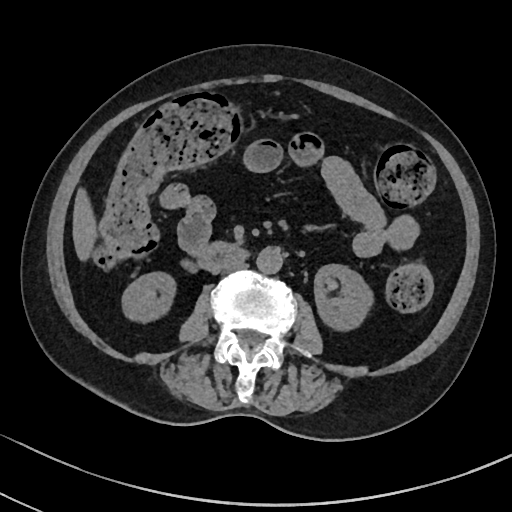
Abdominal CT; axial view
<organs><organ name="right kidney" x1="122" y1="272" x2="175" y2="322"/><organ name="left kidney" x1="314" y1="264" x2="373" y2="331"/><organ name="liver" x1="72" y1="188" x2="97" y2="260"/><organ name="aorta" x1="256" y1="247" x2="282" y2="273"/><organ name="inferior vena cava" x1="221" y1="262" x2="246" y2="273"/><organ name="duodenum" x1="196" y1="241" x2="247" y2="270"/></organs>